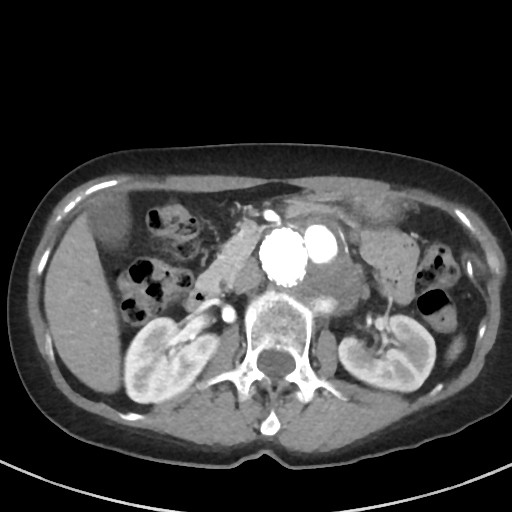 CT abdomen — Axial slice 50/116
One row per box, in pixels: columns x1 and y1 give the top-left corner, x2 and y2 the bottom-right.
| organ | x1 | y1 | x2 | y2 |
|---|---|---|---|---|
| aorta | 260 | 217 | 358 | 311 |
| inferior vena cava | 231 | 259 | 261 | 292 |
| left kidney | 339 | 315 | 435 | 391 |
| spleen | 447 | 337 | 463 | 359 |
| right kidney | 124 | 317 | 218 | 403 |
| pancreas | 196 | 235 | 259 | 289 |
| duodenum | 185 | 286 | 218 | 312 |
| gall bladder | 86 | 195 | 130 | 248 |
| stomach | 306 | 191 | 393 | 222 |
| liver | 44 | 212 | 120 | 392 |